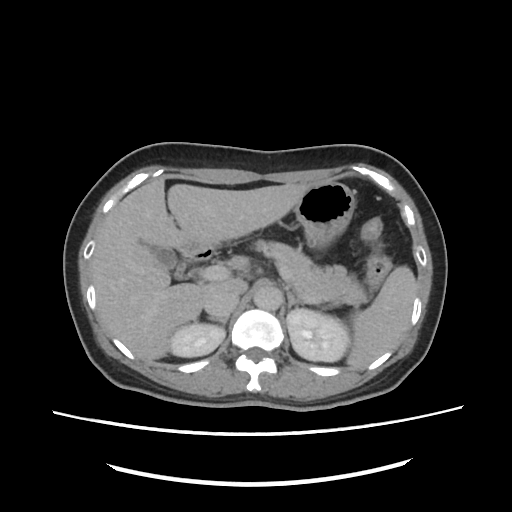 Abdominal CT — Axial slice 68/85 — abdomen soft-tissue window — 50-year-old female patient
Bounding boxes as [x1, y1, x2, y2] in pixel coordinates.
spleen: [344, 265, 416, 366]
right kidney: [168, 323, 225, 356]
left kidney: [287, 309, 346, 360]
gall bladder: [148, 244, 195, 279]
liver: [92, 179, 313, 362]
stomach: [295, 181, 355, 249]
aorta: [253, 284, 281, 310]
inferior vena cava: [205, 290, 240, 318]
pancreas: [253, 238, 376, 306]
right adrenal gland: [209, 317, 227, 325]
left adrenal gland: [286, 291, 304, 312]
duodenum: [182, 239, 211, 262]